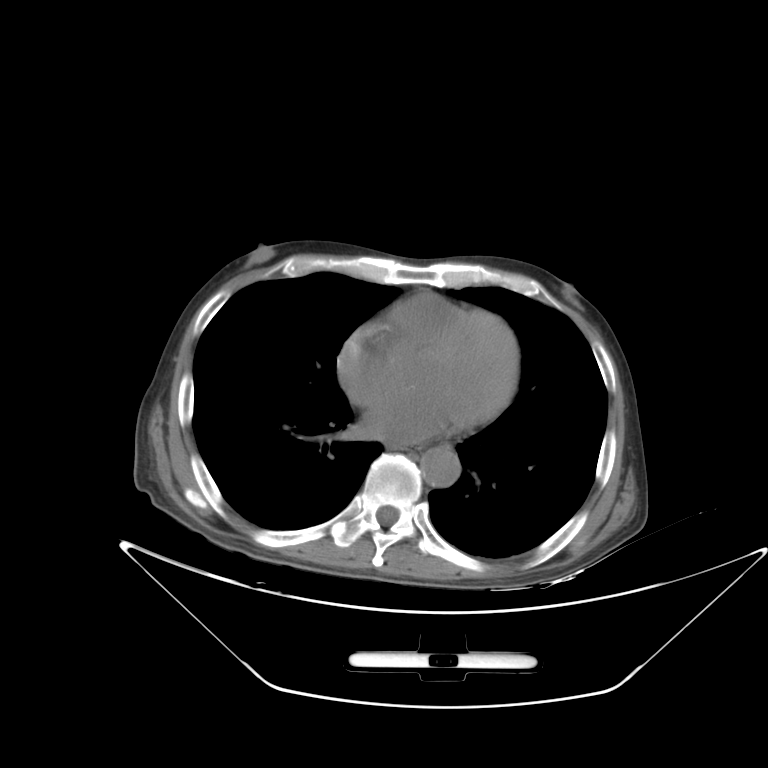
Abdominal CT; this slice is in the lower chest, just above the liver — axial view — soft-tissue window — 768x768 px
Of the structures in the chest, this dataset labels only the esophagus, the aorta and the inferior vena cava; the heart and lungs have no label.
Organ boxes in pixel coordinates; each row gives the top-left (x1, y1) and bottom-right (x2, y2) corners.
| organ | x1 | y1 | x2 | y2 |
|---|---|---|---|---|
| esophagus | 391 | 445 | 421 | 451 |
| aorta | 420 | 445 | 460 | 487 |